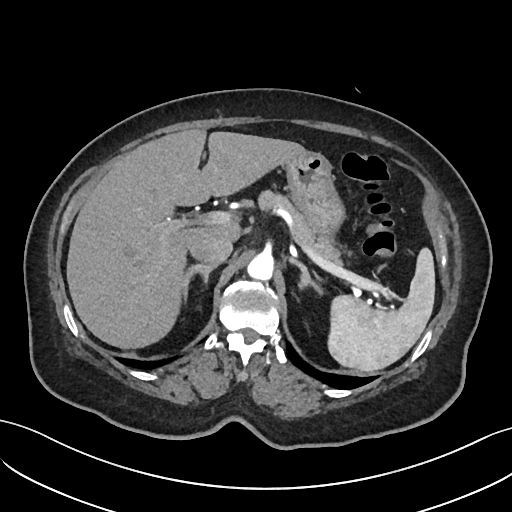
Computed tomography, abdomen · axial plane, index 147 · abdomen soft-tissue window · 15 organs annotated in this scan (a whole-scan count: organs this slice does not pass through have no box)
Boxes are (x1, y1, x2, y2) in pixels.
spleen: (326, 249, 435, 371)
liver: (66, 129, 302, 348)
stomach: (283, 147, 342, 233)
aorta: (248, 252, 274, 279)
inferior vena cava: (189, 236, 232, 264)
pancreas: (257, 189, 383, 298)
right adrenal gland: (183, 263, 215, 294)
left adrenal gland: (287, 256, 324, 297)